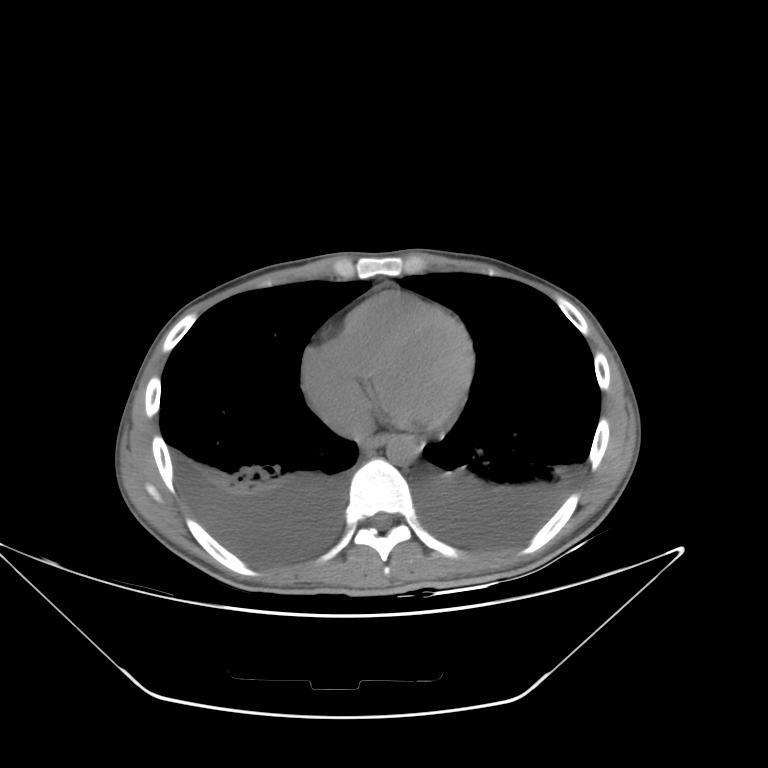
CT of the abdomen reaching into the lower chest, slice just above the liver and spleen; Axial slice 100/103
Of the structures in the chest, this dataset labels only the esophagus, the aorta and the inferior vena cava; the heart and lungs have no label.
Bounding boxes as [x1, y1, x2, y2] in pixel coordinates.
esophagus: [363, 434, 387, 450]
aorta: [386, 435, 419, 465]
inferior vena cava: [326, 398, 373, 441]